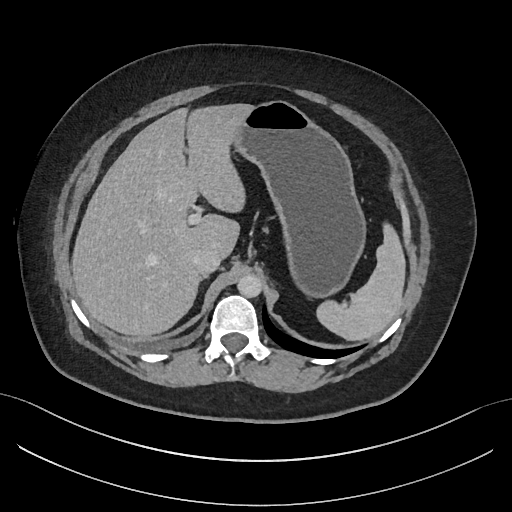
Abdominal CT · axial view · soft-tissue window (W 400 / L 40)
<organs><organ name="stomach" x1="235" y1="101" x2="367" y2="298"/><organ name="inferior vena cava" x1="194" y1="247" x2="221" y2="274"/><organ name="liver" x1="72" y1="104" x2="254" y2="336"/><organ name="spleen" x1="317" y1="226" x2="405" y2="340"/><organ name="aorta" x1="237" y1="275" x2="261" y2="298"/></organs>